MRI, abdomen — coronal view — 320x320 px — scan has 13 labeled organs (that count is for the whole scan; organs this slice misses have no box)
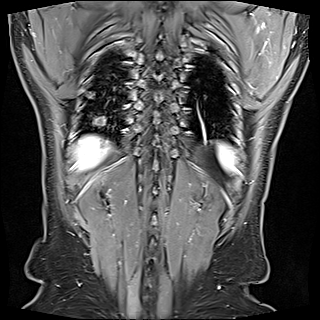
<organs><organ name="spleen" x1="219" y1="144" x2="233" y2="168"/><organ name="liver" x1="75" y1="136" x2="108" y2="169"/></organs>